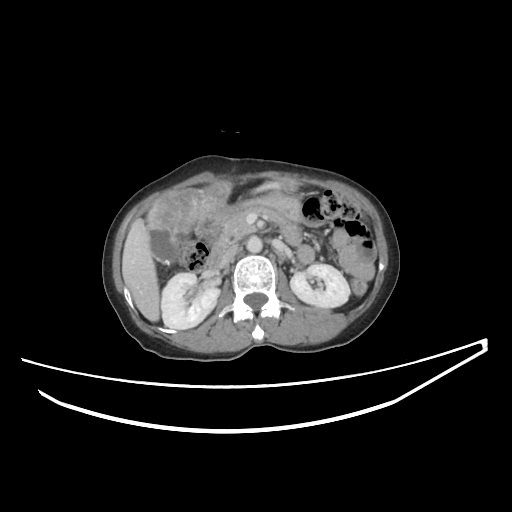 Computed tomography, abdomen — axial view — 62-year-old female patient
{"organs":{"liver":[122,181,295,321],"aorta":[246,236,262,252],"inferior vena cava":[220,245,238,267],"right kidney":[161,272,219,329],"stomach":[218,191,302,223],"left kidney":[290,264,349,307],"pancreas":[216,205,272,246],"duodenum":[199,214,226,269],"gall bladder":[151,231,177,265]}}